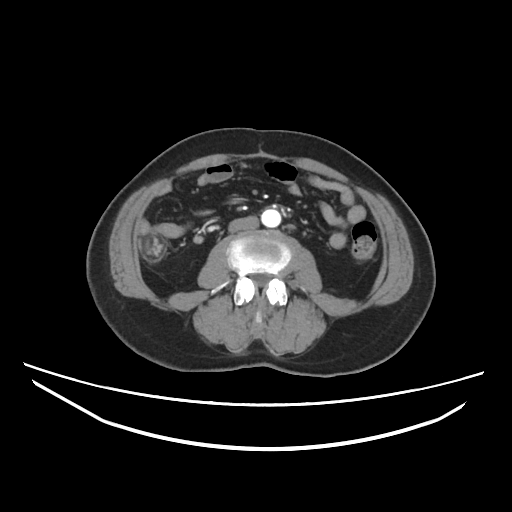 CT abdomen · Axial slice 49/124 · 512x512 px
{"organs":{"aorta":[261,209,281,227],"inferior vena cava":[228,216,258,232]}}